Computed tomography, abdomen. axial view. soft-tissue window. 768x768 px. 56-year-old male patient. 15 organs annotated in this scan (a whole-scan count: organs this slice does not pass through have no box)
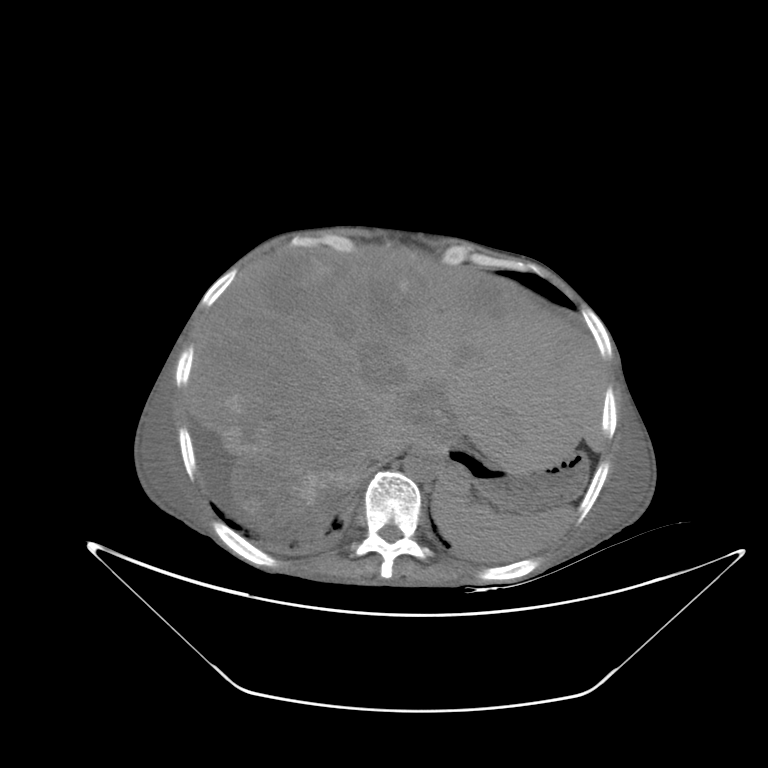
Each box given as x1,y1,x2,y2.
Organ bounding boxes:
- inferior vena cava: x1=368, y1=438, x2=410, y2=464
- spleen: x1=431, y1=470, x2=572, y2=559
- liver: x1=189, y1=246, x2=609, y2=533
- stomach: x1=444, y1=440, x2=588, y2=514
- aorta: x1=403, y1=448, x2=442, y2=482